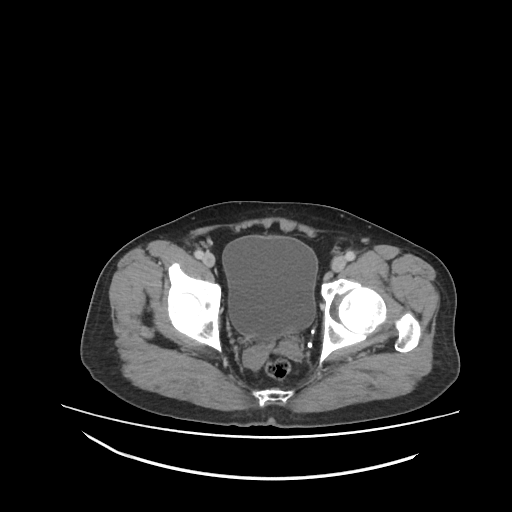 Computed tomography, abdomen — axial plane, index 11 — soft-tissue window — 512x512 px — 66-year-old male patient
{"organs":{"bladder":[222,235,318,339]}}